Abdominal CT — axial view
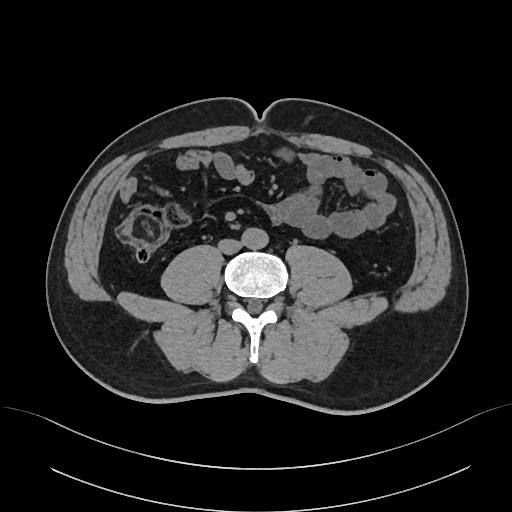

<organs><organ name="inferior vena cava" x1="219" y1="239" x2="241" y2="253"/><organ name="aorta" x1="242" y1="228" x2="268" y2="248"/></organs>